Computed tomography, abdomen · axial plane, index 105 · 512x512 px · scan has 15 labeled organs (counted over the whole 3D scan, not this slice; an organ is boxed only where this slice passes through it)
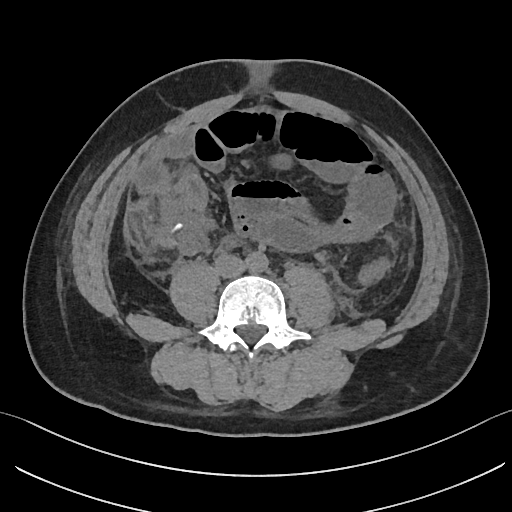

One row per box, in pixels: columns x1 and y1 give the top-left corner, x2 and y2 the bottom-right.
| organ | x1 | y1 | x2 | y2 |
|---|---|---|---|---|
| inferior vena cava | 214 | 254 | 246 | 277 |
| aorta | 246 | 252 | 267 | 272 |